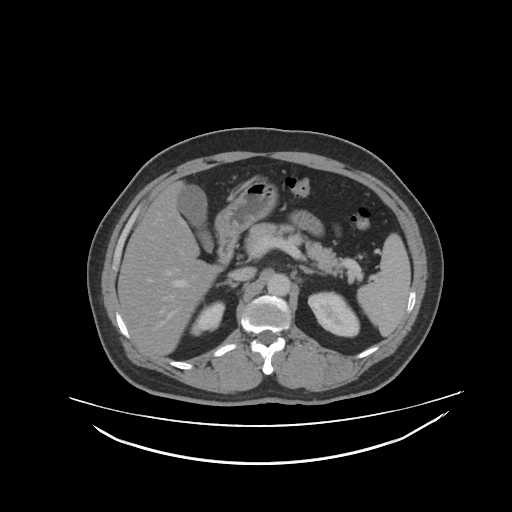
CT abdomen — axial view — 512x512 px — 45-year-old male patient — 15 organs annotated in this scan (that count is for the whole scan; organs this slice misses have no box)
<organs><organ name="spleen" x1="357" y1="233" x2="410" y2="336"/><organ name="right kidney" x1="189" y1="303" x2="224" y2="335"/><organ name="left kidney" x1="308" y1="292" x2="359" y2="336"/><organ name="gall bladder" x1="179" y1="184" x2="213" y2="251"/><organ name="liver" x1="117" y1="181" x2="217" y2="355"/><organ name="stomach" x1="212" y1="180" x2="277" y2="236"/><organ name="aorta" x1="267" y1="274" x2="290" y2="296"/><organ name="inferior vena cava" x1="230" y1="266" x2="256" y2="280"/><organ name="pancreas" x1="244" y1="223" x2="345" y2="274"/><organ name="right adrenal gland" x1="215" y1="281" x2="239" y2="287"/><organ name="left adrenal gland" x1="299" y1="266" x2="322" y2="275"/><organ name="duodenum" x1="218" y1="231" x2="238" y2="263"/></organs>